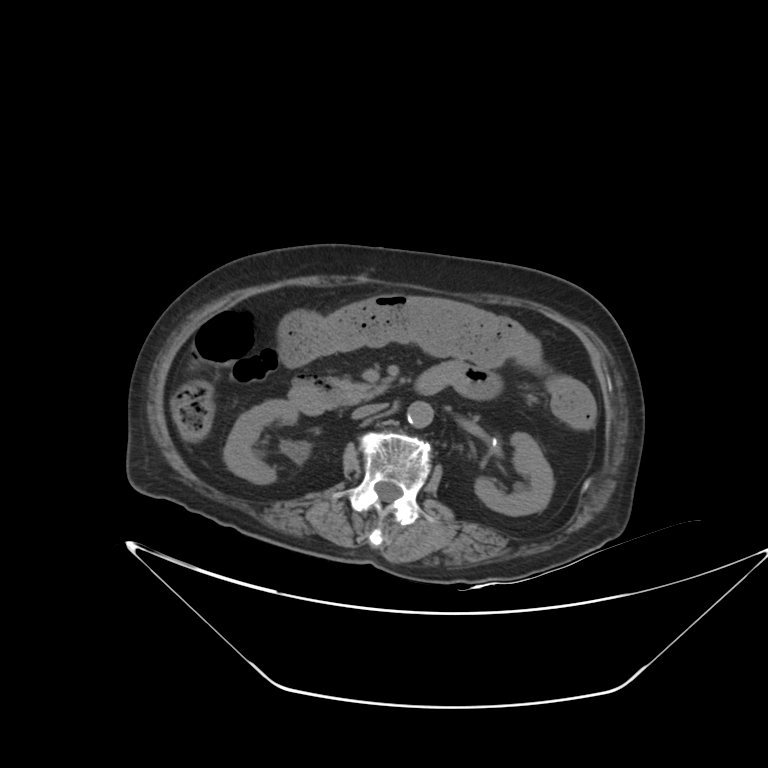 Abdominal CT; Axial slice 65/105; soft-tissue window (W 400 / L 40); 768x768 px
Boxes: x1:y1:x2:y2 in pixels.
Organ bounding boxes:
- pancreas: 337:380:388:402
- duodenum: 289:374:437:414
- left kidney: 474:432:553:515
- aorta: 407:401:433:427
- right kidney: 224:399:298:484
- inferior vena cava: 352:403:386:418